Computed tomography, abdomen — axial plane, index 56 — soft-tissue window — 512x512 px — acquired on SOMATOM Force — 15 organs annotated in this scan (a whole-scan count: organs this slice does not pass through have no box)
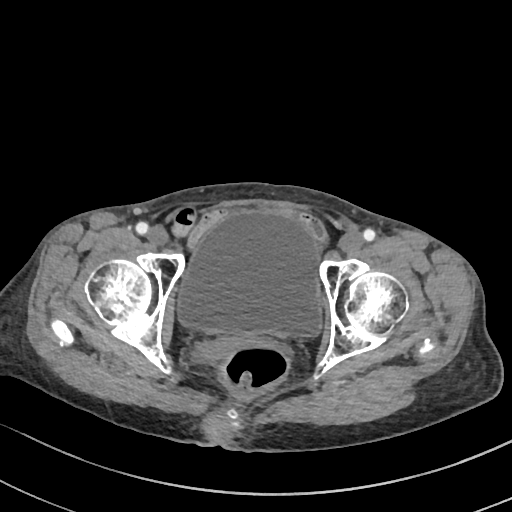

Coordinates as <box>x1,y1,x2,y2</box> in pixels.
bladder: <box>177,210,321,336</box>